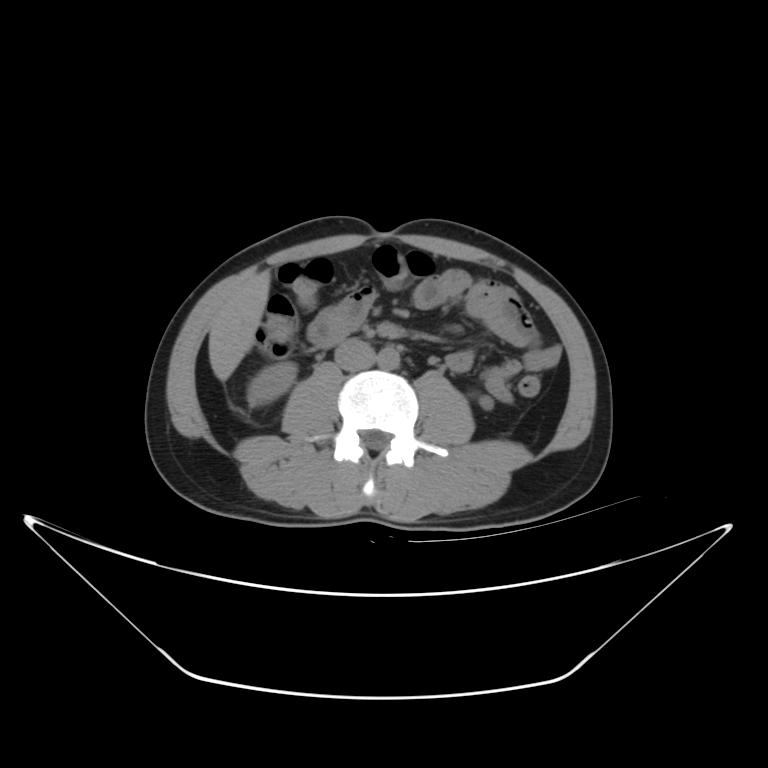
Abdominal CT — Axial slice 52/90
Boxes are (x1, y1, x2, y2) in pixels. The annotated organs in this slice are: aorta at (378, 348, 401, 371), inferior vena cava at (331, 338, 375, 370), left kidney at (479, 396, 493, 406), right kidney at (246, 362, 296, 406), liver at (208, 269, 271, 378).